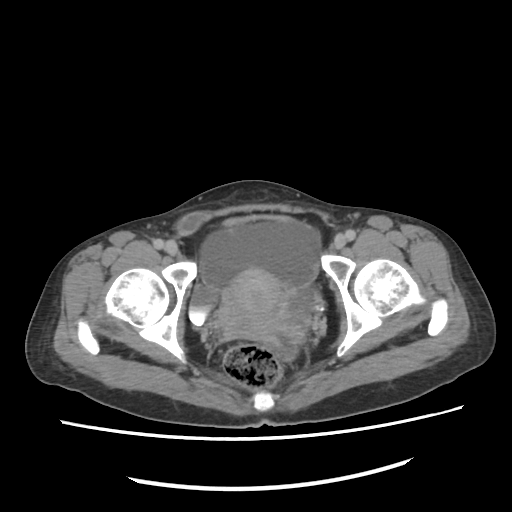
Abdominal CT · Axial slice 22/112 · soft-tissue window (W 400 / L 40) · 39-year-old female patient
Coordinates as <box>x1,y1,x2,y2</box> in pixels.
Organ bounding boxes:
- bladder: <box>190,284,217,325</box>
- prostate/uterus: <box>230,270,285,334</box>